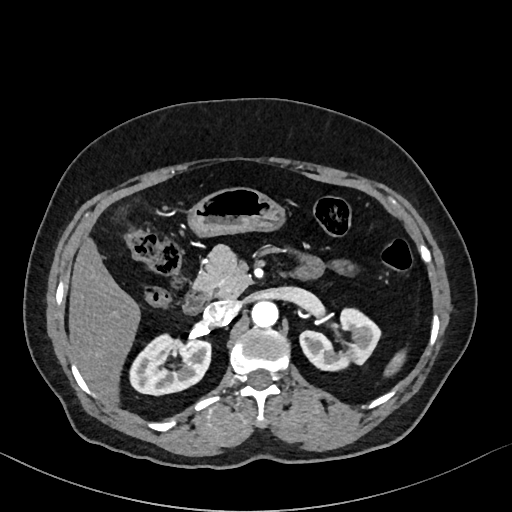

CT abdomen. axial view. W/L 400/40 HU. 512x512 px. acquired on SOMATOM Force. 15 organs annotated in this scan (that count is for the whole scan; organs this slice misses have no box)
<organs><organ name="spleen" x1="384" y1="350" x2="405" y2="376"/><organ name="right kidney" x1="129" y1="334" x2="210" y2="395"/><organ name="left kidney" x1="300" y1="308" x2="380" y2="370"/><organ name="liver" x1="68" y1="238" x2="140" y2="405"/><organ name="stomach" x1="188" y1="186" x2="285" y2="236"/><organ name="aorta" x1="251" y1="301" x2="278" y2="327"/><organ name="inferior vena cava" x1="204" y1="300" x2="238" y2="325"/><organ name="pancreas" x1="193" y1="244" x2="251" y2="297"/><organ name="duodenum" x1="183" y1="292" x2="208" y2="314"/></organs>